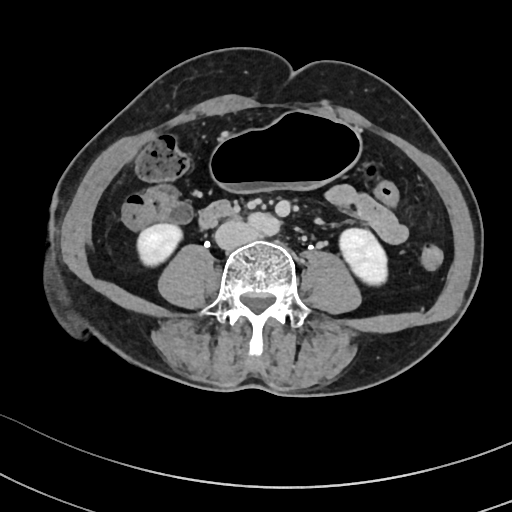 CT abdomen · axial view · soft-tissue window
Box edges are left/top/right/bottom in pixels. 5 labeled organs on this slice — right kidney at left=138, top=223, right=181, bottom=265; inferior vena cava at left=214, top=220, right=257, bottom=248; left kidney at left=341, top=227, right=387, bottom=285; duodenum at left=201, top=203, right=230, bottom=225; stomach at left=211, top=112, right=360, bottom=190.